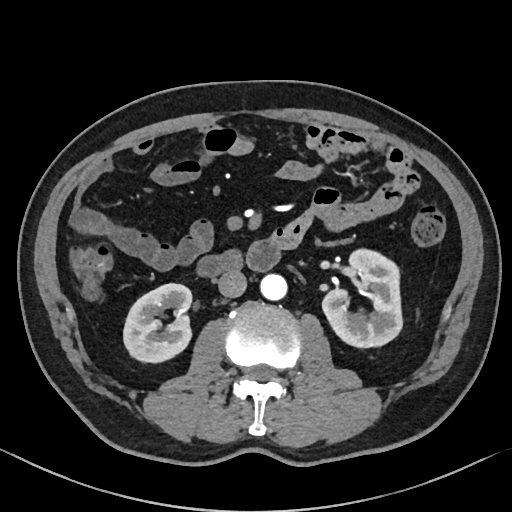
Abdominal CT; axial view; W/L 400/40 HU; SOMATOM Force scanner
<organs><organ name="duodenum" x1="194" y1="240" x2="282" y2="277"/><organ name="left kidney" x1="321" y1="248" x2="401" y2="349"/><organ name="right kidney" x1="123" y1="283" x2="192" y2="363"/><organ name="inferior vena cava" x1="217" y1="269" x2="246" y2="297"/><organ name="aorta" x1="260" y1="274" x2="287" y2="301"/></organs>